CT, abdomen/pelvis · axial view · soft-tissue window (W 400 / L 40) · 512x512 px · scan has 15 labeled organs (counted over the whole 3D scan, not this slice; an organ is boxed only where this slice passes through it)
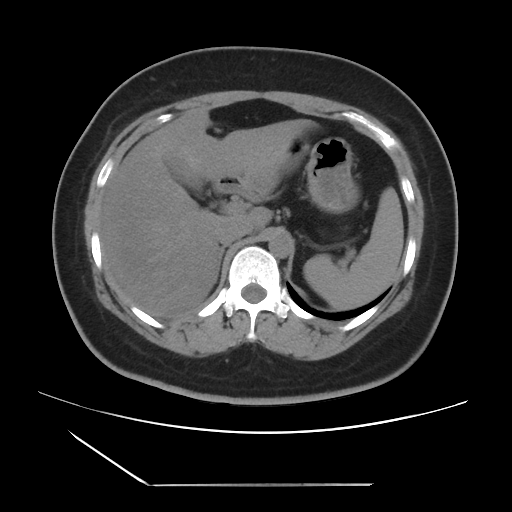
Coordinates as <box>x1,y1,x2,y2</box> in pixels.
spleen: <box>304,187,403,310</box>
gall bladder: <box>166,157,198,188</box>
liver: <box>100,108,314,317</box>
stomach: <box>239,137,355,209</box>
aorta: <box>268,232,292,258</box>
inferior vena cava: <box>216,220,250,245</box>
right adrenal gland: <box>219,246,225,261</box>
duodenum: <box>213,178,239,193</box>